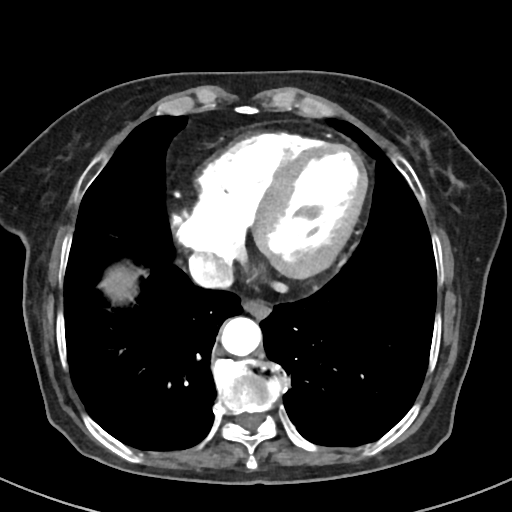

Computed tomography, abdomen · axial view
Bounding boxes in pixels, one row per box: x1, y1 is the top-left corner and x2, y2 the bottom-right.
| organ | x1 | y1 | x2 | y2 |
|---|---|---|---|---|
| esophagus | 243 | 300 | 270 | 318 |
| liver | 101 | 266 | 135 | 300 |
| aorta | 221 | 317 | 261 | 356 |
| inferior vena cava | 188 | 252 | 232 | 288 |